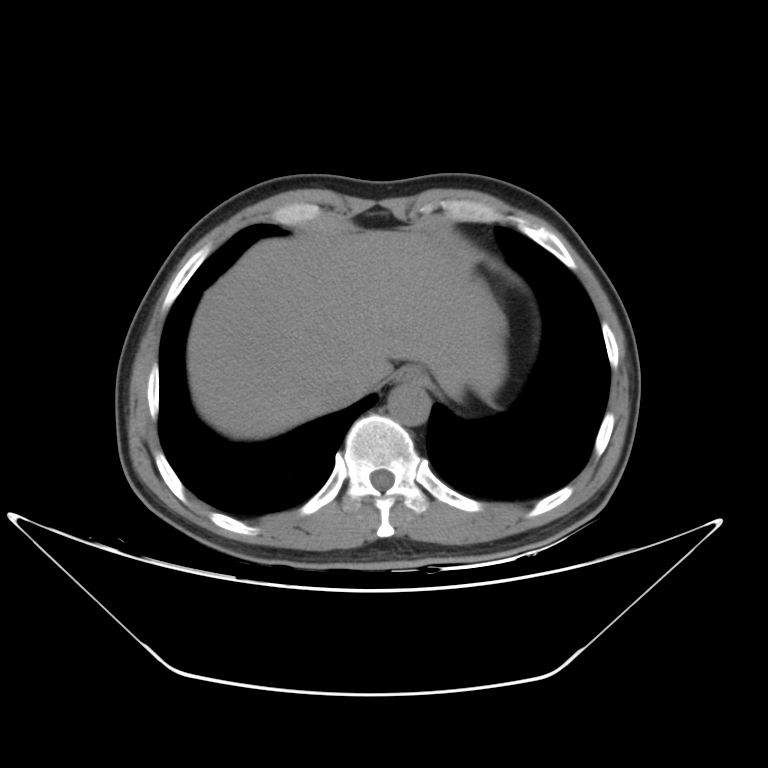

Computed tomography, abdomen. Axial slice 93/104
<organs><organ name="esophagus" x1="395" y1="365" x2="433" y2="386"/><organ name="liver" x1="187" y1="231" x2="503" y2="437"/><organ name="stomach" x1="486" y1="293" x2="506" y2="345"/><organ name="aorta" x1="388" y1="384" x2="430" y2="426"/><organ name="inferior vena cava" x1="324" y1="377" x2="359" y2="411"/></organs>